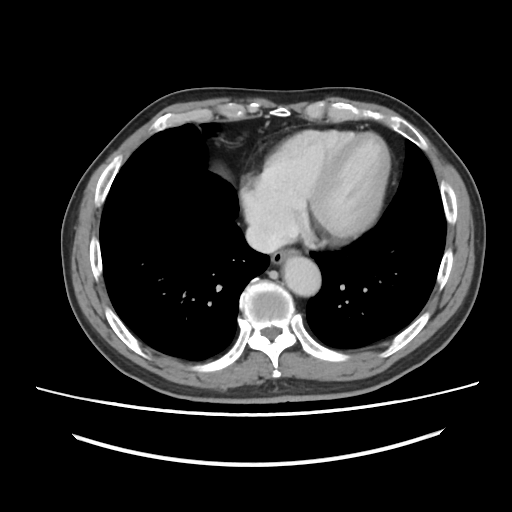

Lower-chest slice from an abdominal CT, just above the liver and spleen — axial plane, index 84 — acquired on Aquilion ONE — scan has 14 labeled organs (that count is for the whole scan; organs this slice misses have no box)
The heart and lungs are never labeled in this dataset, so they have no box on this slice.
Box edges are left/top/right/bottom in pixels.
Organ bounding boxes:
- aorta: left=283, top=256, right=320, bottom=296
- esophagus: left=271, top=249, right=297, bottom=264
- inferior vena cava: left=245, top=220, right=286, bottom=253